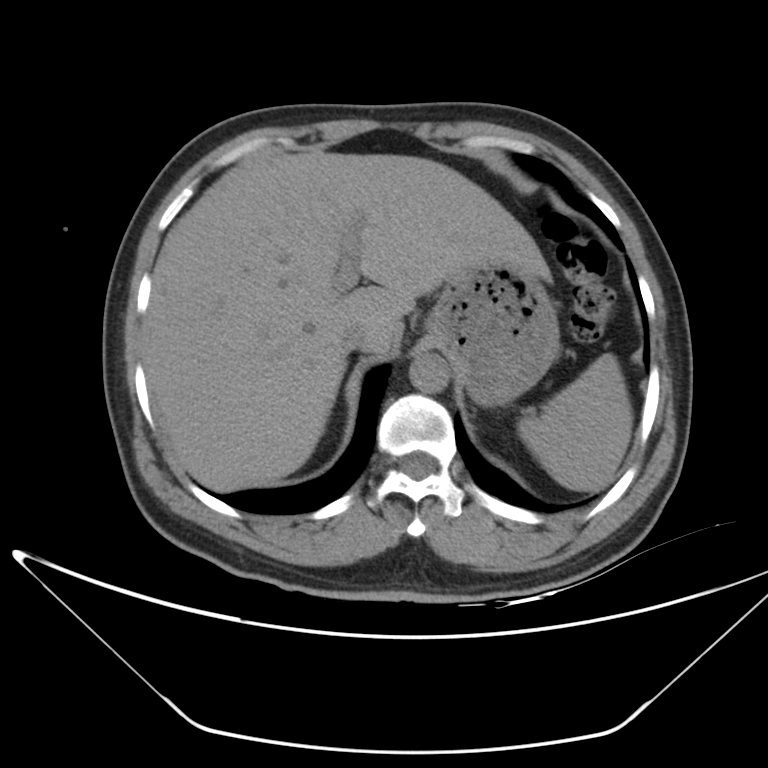

Abdominal CT; axial view
<organs><organ name="spleen" x1="517" y1="353" x2="634" y2="491"/><organ name="aorta" x1="409" y1="353" x2="448" y2="393"/><organ name="inferior vena cava" x1="340" y1="322" x2="371" y2="352"/><organ name="liver" x1="144" y1="151" x2="551" y2="491"/><organ name="stomach" x1="426" y1="261" x2="559" y2="407"/></organs>